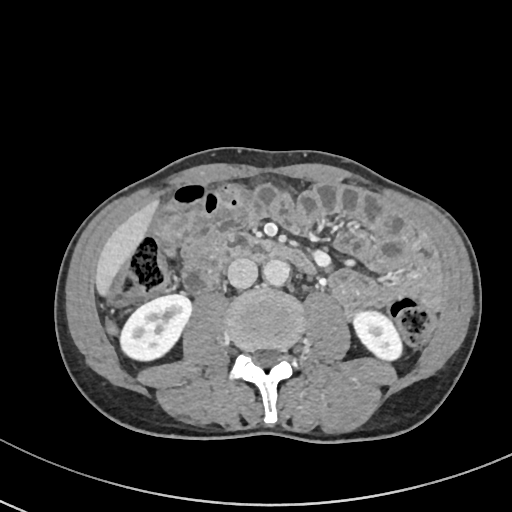
Computed tomography, abdomen · axial view · 512x512 px · SOMATOM Force scanner
Boxes: x1 y1 x2 y2 (pixel coords, space-separated).
right kidney: 120 294 191 360
left kidney: 353 311 402 360
liver: 95 200 157 295
aorta: 263 259 290 286
inferior vena cava: 227 258 257 288
duodenum: 216 232 315 274